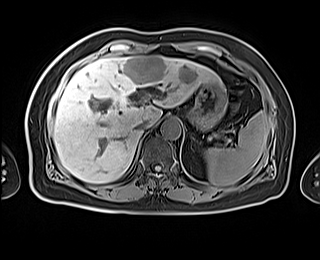

MRI, abdomen; axial view; percentile-normalized
<organs><organ name="spleen" x1="204" y1="111" x2="268" y2="186"/><organ name="liver" x1="53" y1="55" x2="220" y2="183"/><organ name="stomach" x1="188" y1="82" x2="227" y2="131"/><organ name="aorta" x1="160" y1="118" x2="180" y2="139"/><organ name="inferior vena cava" x1="136" y1="120" x2="149" y2="131"/></organs>